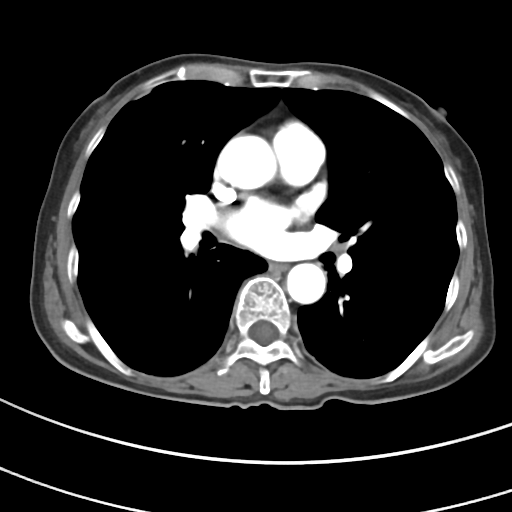 Chest-level slice from an abdominal CT that extends up into the chest; axial plane, index 90; W/L 400/40 HU; 512x512 px; SOMATOM Force scanner
On a slice this high in the chest, this dataset labels only the esophagus and the aorta, and each is boxed only where it is labeled; the heart, lungs and other chest structures are not labeled.
{"organs":{"esophagus":[270,262,287,270],"aorta":[[216,135,276,189],[286,263,326,303]]}}